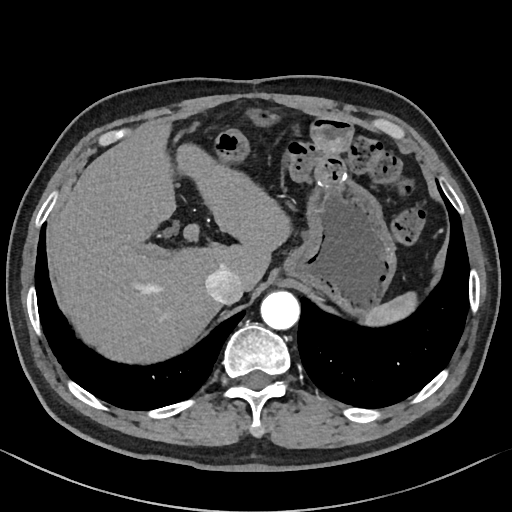 CT abdomen. axial view. soft-tissue window
Bounding boxes in pixels, one row per box: x1, y1 is the top-left corner and x2, y2 the bottom-right.
| organ | x1 | y1 | x2 | y2 |
|---|---|---|---|---|
| aorta | 260 | 291 | 299 | 329 |
| liver | 50 | 123 | 291 | 363 |
| inferior vena cava | 205 | 268 | 243 | 304 |
| spleen | 361 | 292 | 417 | 326 |
| stomach | 284 | 175 | 396 | 315 |